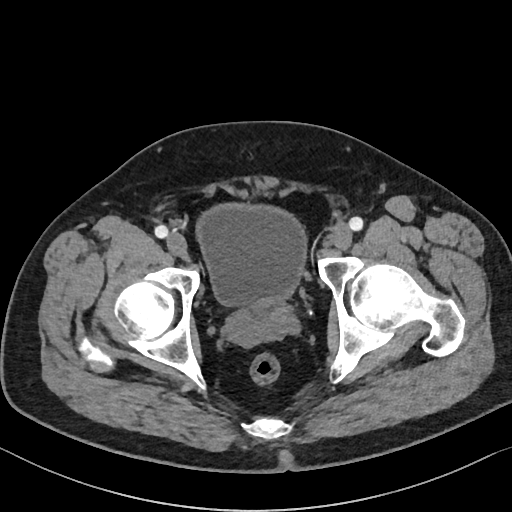
Computed tomography, abdomen; axial view
Organ boxes in pixel coordinates; each row gives the top-left (x1, y1) and bottom-right (x2, y2) corners.
| organ | x1 | y1 | x2 | y2 |
|---|---|---|---|---|
| bladder | 195 | 201 | 307 | 310 |